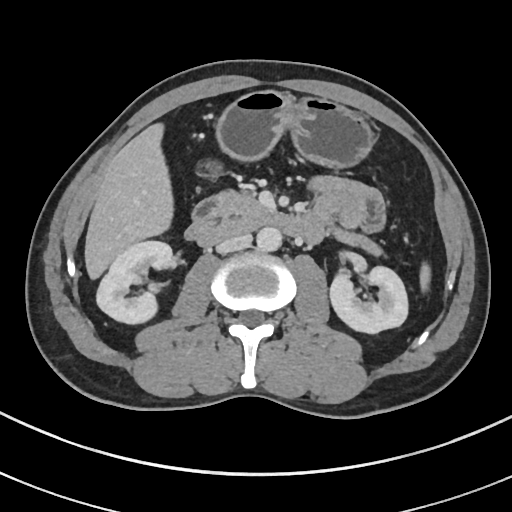
CT, abdomen/pelvis — Axial slice 117/298 — soft-tissue window — 15 organs annotated in this scan (that count is for the whole scan; organs this slice misses have no box)
Boxes are (x1, y1, x2, y2) in pixels.
Organ bounding boxes:
- pancreas: (217, 192, 381, 255)
- spleen: (419, 263, 430, 291)
- aorta: (256, 227, 282, 251)
- stomach: (216, 89, 375, 167)
- left kidney: (329, 266, 408, 333)
- inferior vena cava: (216, 232, 251, 253)
- right kidney: (96, 241, 175, 323)
- liver: (84, 123, 173, 279)
- duodenum: (185, 197, 323, 245)